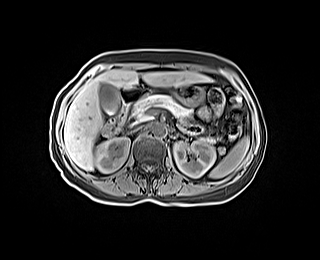 Magnetic resonance imaging, abdomen — axial view — percentile-normalized — acquired on Prisma
Each box given as x1,y1,x2,y2. The annotated organs in this slice are: spleen at x1=209, y1=136, x2=249, y2=178, right kidney at x1=94, y1=137, x2=130, y2=172, left kidney at x1=173, y1=140, x2=215, y2=177, gall bladder at x1=99, y1=83, x2=119, y2=116, liver at x1=64, y1=69, x2=211, y2=170, stomach at x1=172, y1=84, x2=204, y2=105, aorta at x1=153, y1=124, x2=165, y2=136, inferior vena cava at x1=133, y1=125, x2=143, y2=130, pancreas at x1=131, y1=95, x2=215, y2=142, duodenum at x1=100, y1=86, x2=150, y2=136.